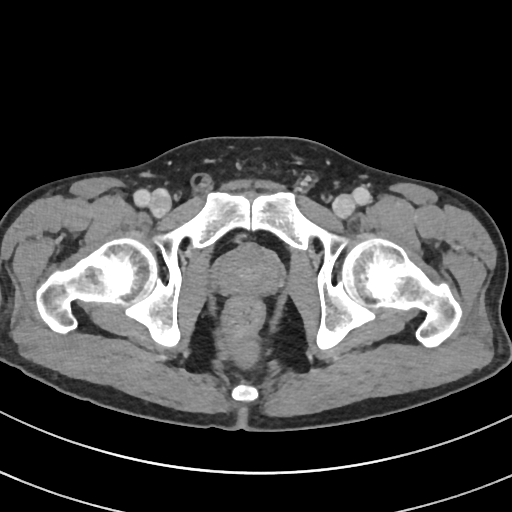

Computed tomography, abdomen — axial view — 512x512 px
Boxes: x1 y1 x2 y2 (pixel coords, space-separated).
Organ bounding boxes:
- prostate/uterus: 218 244 279 295